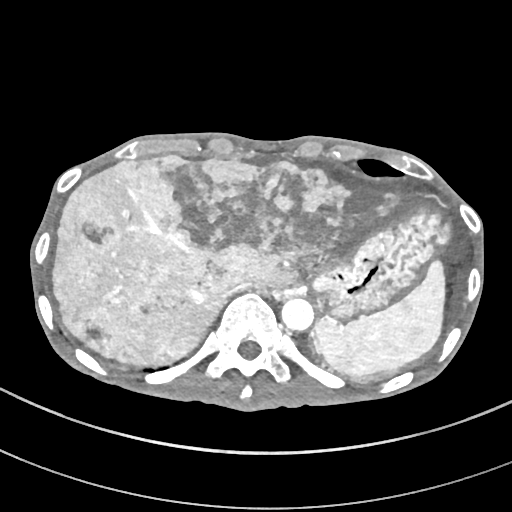

CT abdomen. axial plane, index 185. soft-tissue window. 512x512 px
Bounding boxes in pixels, one row per box: x1, y1 is the top-left corner and x2, y2 the bottom-right.
| organ | x1 | y1 | x2 | y2 |
|---|---|---|---|---|
| spleen | 313 | 261 | 444 | 375 |
| liver | 53 | 155 | 442 | 384 |
| stomach | 309 | 212 | 453 | 318 |
| aorta | 281 | 299 | 314 | 331 |
| inferior vena cava | 221 | 281 | 252 | 297 |